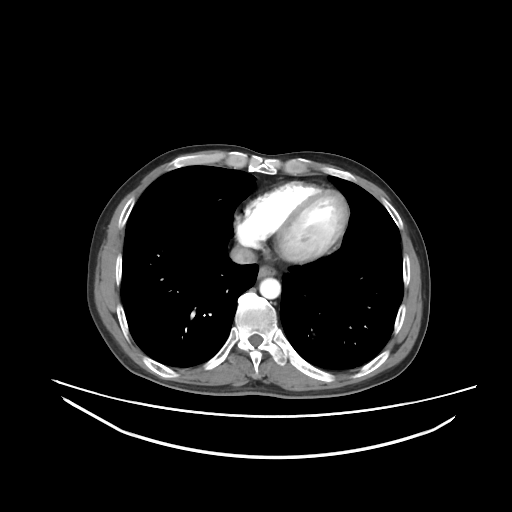
Lower-chest slice from an abdominal CT, just above the liver and spleen — axial plane, index 91 — soft-tissue window — 512x512 px — 52-year-old male patient
No part of the heart or lungs is labeled in this dataset, so neither has a box here.
<organs><organ name="esophagus" x1="258" y1="266" x2="276" y2="277"/><organ name="aorta" x1="259" y1="277" x2="280" y2="299"/><organ name="inferior vena cava" x1="230" y1="245" x2="256" y2="264"/></organs>